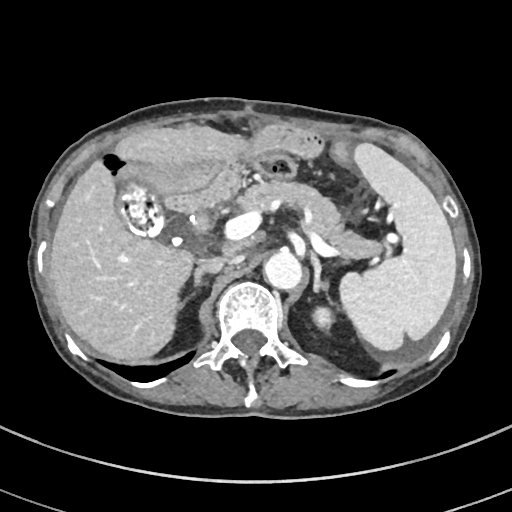

CT, abdomen/pelvis; axial plane, index 139; W/L 400/40 HU; 14 organs annotated in this scan (counted over the whole 3D scan, not this slice; an organ is boxed only where this slice passes through it)
Each box given as x1,y1,x2,y2.
Organ bounding boxes:
- pancreas: x1=236, y1=180, x2=382, y2=258
- right adrenal gland: x1=180, y1=262, x2=220, y2=306
- liver: x1=50, y1=125, x2=249, y2=361
- duodenum: x1=192, y1=212, x2=209, y2=231
- spleen: x1=340, y1=143, x2=456, y2=350
- left adrenal gland: x1=311, y1=253, x2=327, y2=291
- gall bladder: x1=117, y1=179, x2=163, y2=235
- inferior vena cava: x1=200, y1=257, x2=236, y2=263
- aorta: x1=263, y1=249, x2=301, y2=289
- left kidney: x1=312, y1=307, x2=333, y2=330